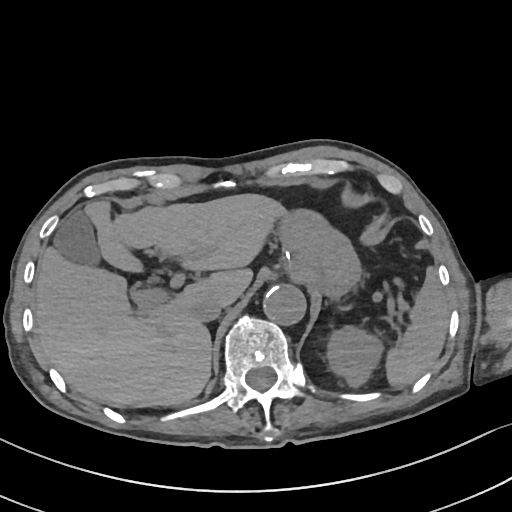 Computed tomography, abdomen. axial view. abdomen soft-tissue window. scan has 15 labeled organs (that count is for the whole scan; organs this slice misses have no box)
Boxes: x1 y1 x2 y2 (pixel coords, space-separated).
spleen: 386 268 449 387
left kidney: 326 324 383 387
gall bladder: 52 208 101 267
liver: 34 193 284 407
stomach: 270 208 358 294
aorta: 263 285 306 325
inferior vena cava: 191 296 224 322
left adrenal gland: 337 301 348 310